CT abdomen. axial view. 512x512 px
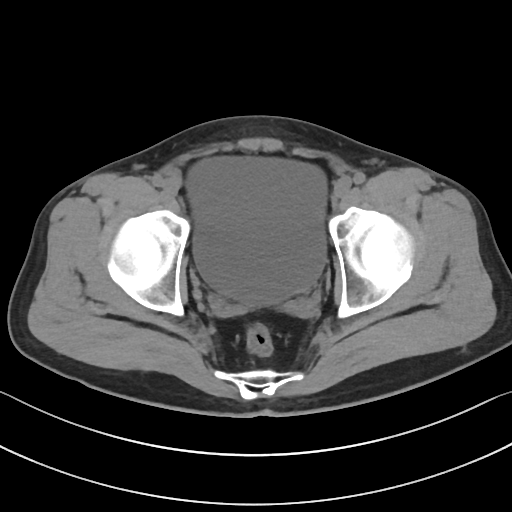
One row per box, in pixels: columns x1 and y1 give the top-left corner, x2 and y2 the bottom-right.
| organ | x1 | y1 | x2 | y2 |
|---|---|---|---|---|
| bladder | 187 | 155 | 326 | 304 |